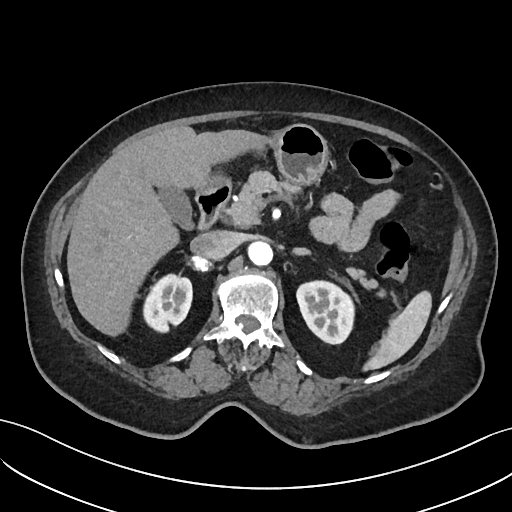
CT abdomen — axial view — soft-tissue window (W 400 / L 40) — SOMATOM Force scanner
Bounding boxes as [x1, y1, x2, y2] in pixel coordinates.
inferior vena cava: [190, 230, 237, 259]
gall bladder: [158, 187, 193, 228]
left adrenal gland: [292, 248, 308, 254]
left kidney: [297, 281, 354, 343]
aorta: [248, 241, 273, 265]
spleen: [363, 291, 431, 370]
right kidney: [143, 274, 192, 332]
right adrenal gland: [188, 257, 207, 271]
liver: [67, 126, 269, 336]
stomach: [204, 124, 328, 186]
pancreas: [226, 171, 386, 297]
duodenum: [196, 180, 231, 229]